CT abdomen. axial view. soft-tissue window. 512x512 px
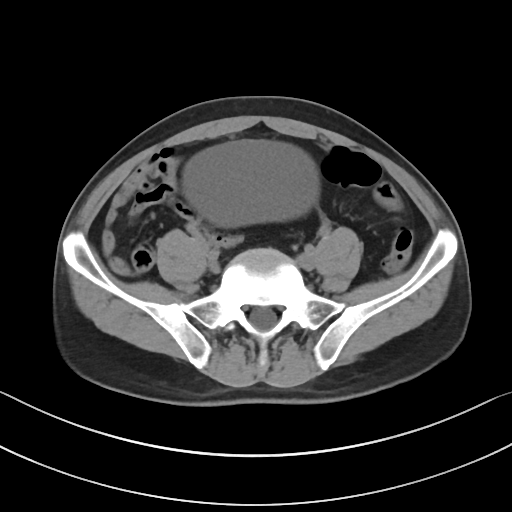
Each box given as x1,y1,x2,y2.
bladder: x1=184, y1=141, x2=315, y2=224